CT, abdomen/pelvis. axial view. W/L 400/40 HU. SOMATOM Force scanner
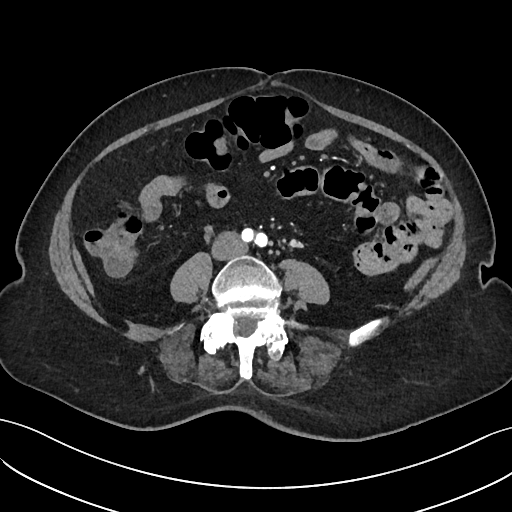

Boxes are (x1, y1, x2, y2) in pixels. 1 labeled organ on this slice — inferior vena cava at (212, 232, 246, 259).